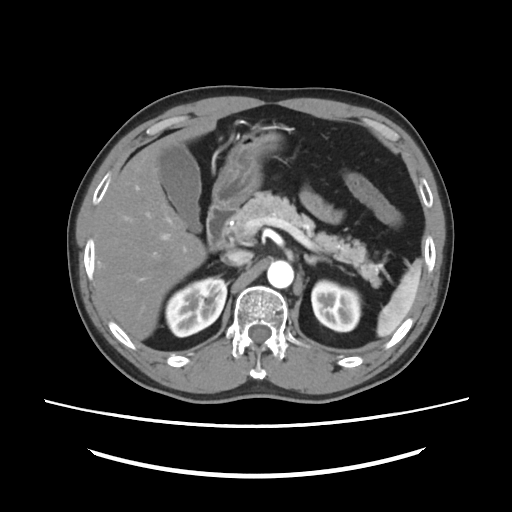 CT abdomen — axial plane, index 78 — Aquilion ONE scanner
<organs><organ name="spleen" x1="377" y1="259" x2="421" y2="336"/><organ name="right kidney" x1="165" y1="277" x2="226" y2="337"/><organ name="aorta" x1="267" y1="260" x2="293" y2="288"/><organ name="duodenum" x1="207" y1="204" x2="234" y2="251"/><organ name="stomach" x1="212" y1="123" x2="283" y2="208"/><organ name="gall bladder" x1="159" y1="143" x2="201" y2="232"/><organ name="liver" x1="94" y1="126" x2="210" y2="340"/><organ name="left adrenal gland" x1="304" y1="254" x2="330" y2="264"/><organ name="left kidney" x1="311" y1="280" x2="360" y2="331"/><organ name="inferior vena cava" x1="224" y1="249" x2="252" y2="265"/><organ name="pancreas" x1="225" y1="191" x2="380" y2="287"/></organs>